Abdominal CT — axial plane, index 65 — W/L 400/40 HU
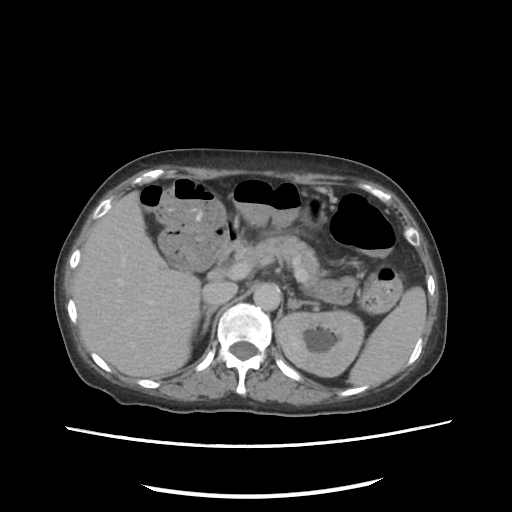

Bounding boxes as [x1, y1, x2, y2] in pixel coordinates. Labeled organs on this slice: inferior vena cava at [202, 281, 237, 305], left kidney at [277, 310, 364, 377], left adrenal gland at [287, 294, 309, 309], liver at [73, 191, 201, 377], aorta at [253, 283, 280, 310], pancreas at [234, 236, 322, 288], duodenum at [207, 231, 239, 281], stomach at [308, 201, 322, 218], right adrenal gland at [194, 306, 217, 335], spleen at [349, 286, 426, 386], gall bladder at [168, 258, 189, 270].